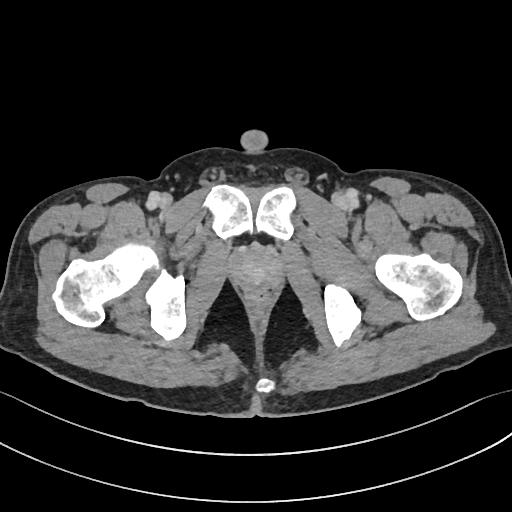 Computed tomography, abdomen. axial view. 512x512 px. SOMATOM Force scanner
<organs><organ name="prostate/uterus" x1="234" y1="250" x2="279" y2="287"/></organs>